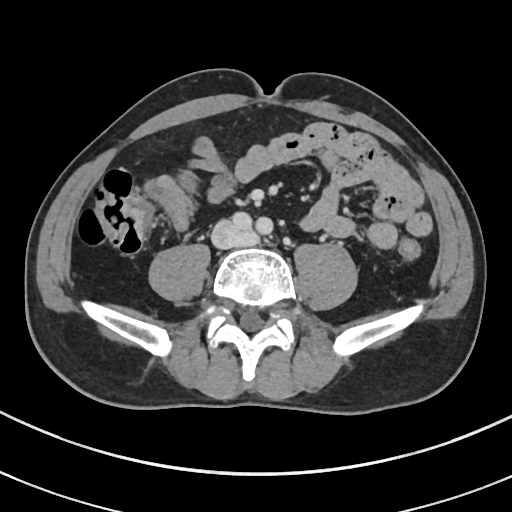

Abdominal CT · axial view · 512x512 px
Each box given as x1,y1,x2,y2. The annotated organs in this slice are: inferior vena cava at x1=211, y1=220, x2=256, y2=248.